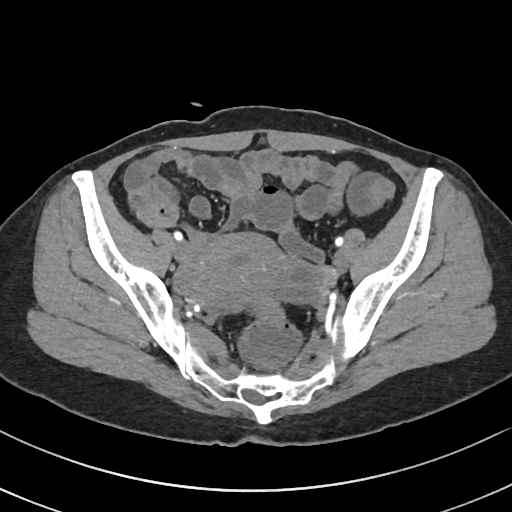
CT, abdomen/pelvis · axial view · soft-tissue window (W 400 / L 40) · 512x512 px
Bounding boxes as [x1, y1, x2, y2] in pixel coordinates.
Organ bounding boxes:
- prostate/uterus: [187, 234, 281, 307]